Abdominal CT; axial plane, index 16
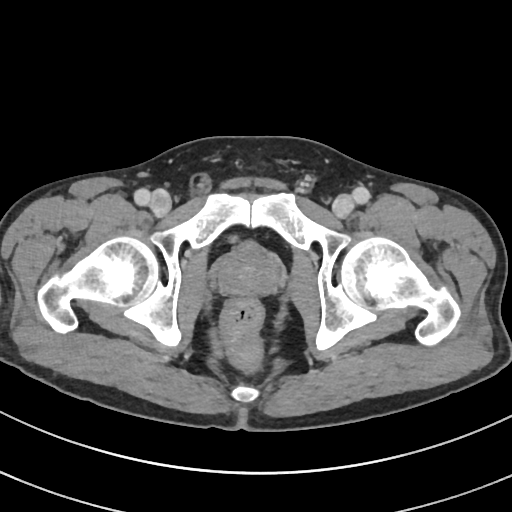 {"organs":{"prostate/uterus":[218,244,279,295]}}